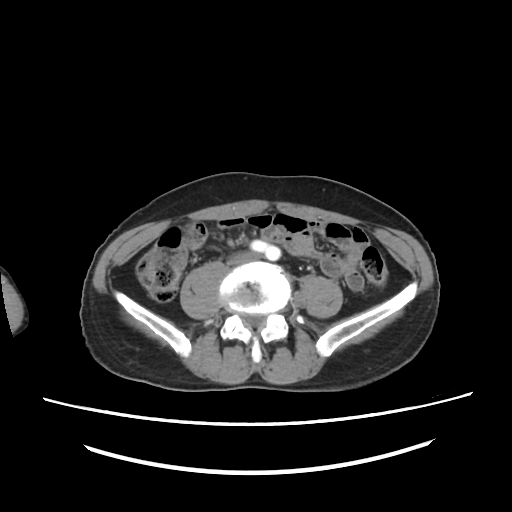
Abdominal CT · axial plane, index 47 · 61-year-old male patient
<organs><organ name="aorta" x1="271" y1="262" x2="278" y2="262"/><organ name="inferior vena cava" x1="227" y1="250" x2="261" y2="265"/></organs>